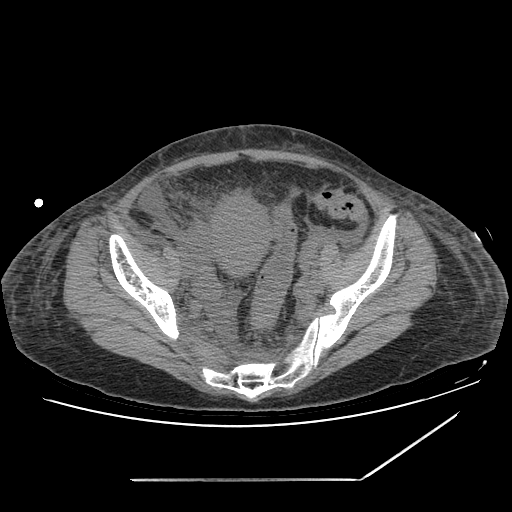 Computed tomography, abdomen; axial view; abdomen soft-tissue window; 512x512 px; scan has 15 labeled organs (a whole-scan count: organs this slice does not pass through have no box)
Each box given as x1,y1,x2,y2.
Organ bounding boxes:
- prostate/uterus: x1=210, y1=194, x2=272, y2=275